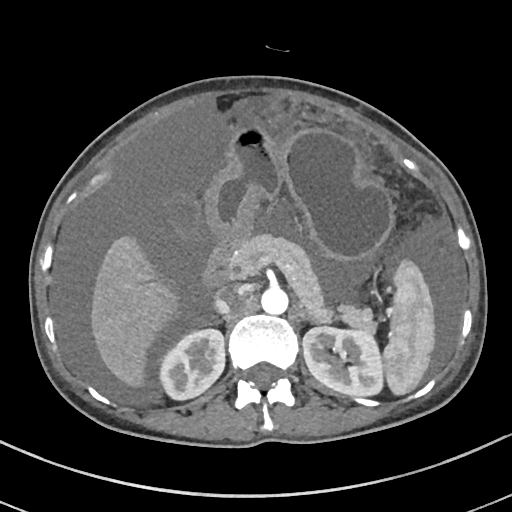
CT abdomen; axial plane, index 159; soft-tissue window (W 400 / L 40); 512x512 px
Boxes are (x1, y1, x2, y2) in pixels. The annotated organs in this slice are: spleen at (383, 258, 434, 394), right kidney at (161, 327, 224, 400), left kidney at (302, 326, 384, 397), liver at (91, 235, 175, 384), stomach at (204, 120, 391, 258), aorta at (260, 288, 288, 314), inferior vena cava at (215, 287, 244, 314), pancreas at (229, 234, 372, 329), left adrenal gland at (300, 310, 320, 327), duodenum at (202, 240, 236, 290).